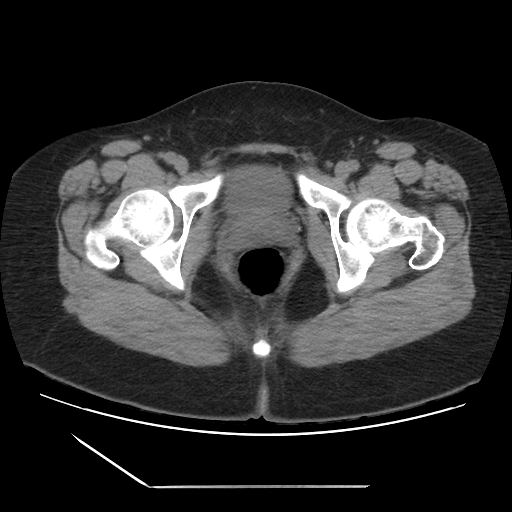 CT, abdomen/pelvis — axial view — W/L 400/40 HU — 512x512 px — 15 organs annotated in this scan (counted over the whole 3D scan, not this slice; an organ is boxed only where this slice passes through it)
Organ boxes in pixel coordinates; each row gives the top-left (x1, y1) and bottom-right (x2, y2) corners.
| organ | x1 | y1 | x2 | y2 |
|---|---|---|---|---|
| bladder | 227 | 166 | 291 | 216 |
| prostate/uterus | 236 | 215 | 283 | 235 |